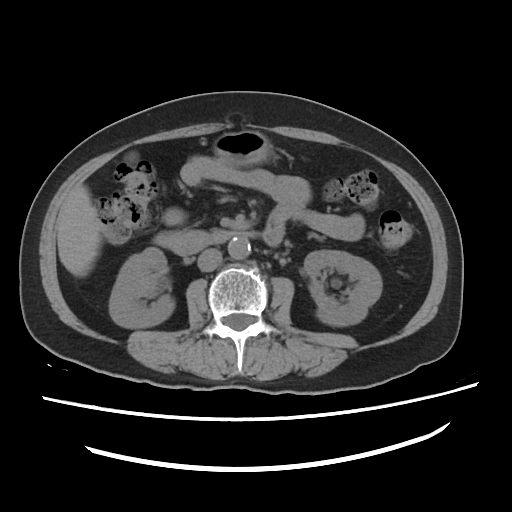

CT, abdomen/pelvis · axial view · soft-tissue window · Aquilion ONE scanner
Boxes: x1:y1:x2:y2 in pixels.
Organ bounding boxes:
- right kidney: 109:247:174:327
- left kidney: 304:250:382:325
- gall bladder: 127:152:137:162
- liver: 57:185:101:276
- stomach: 212:130:273:165
- aorta: 228:237:250:259
- inferior vena cava: 197:248:221:271
- duodenum: 153:229:253:255